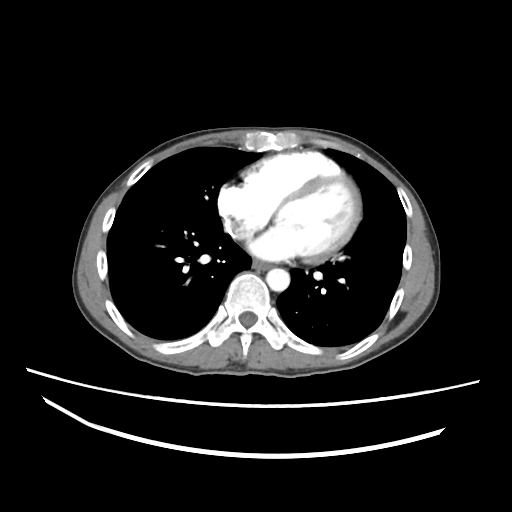
Abdominal CT; this slice is in the lower chest, just above the liver. axial view. 512x512 px
The heart and lungs are never labeled in this dataset, so they have no box on this slice.
<organs><organ name="esophagus" x1="252" y1="260" x2="269" y2="269"/><organ name="aorta" x1="266" y1="268" x2="290" y2="291"/></organs>